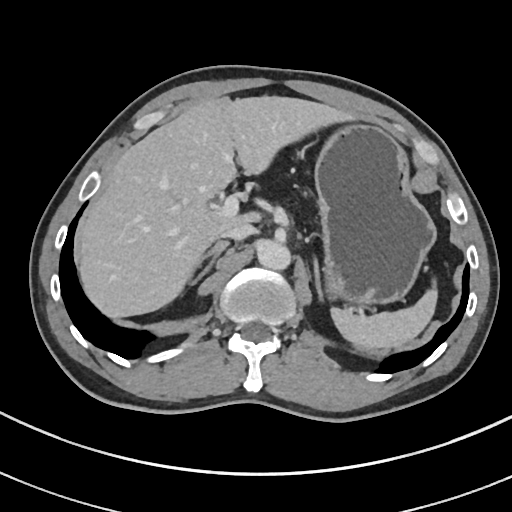
Computed tomography, abdomen — axial plane, index 146 — 512x512 px
Boxes: x1:y1:x2:y2 in pixels. The annotated organs in this slice are: spleen at 331:290:435:349, liver at 77:95:348:317, stomach at 314:123:436:308, aorta at 257:240:291:270, inferior vena cava at 220:223:254:240, right adrenal gland at 187:241:228:285, left adrenal gland at 313:258:323:301.